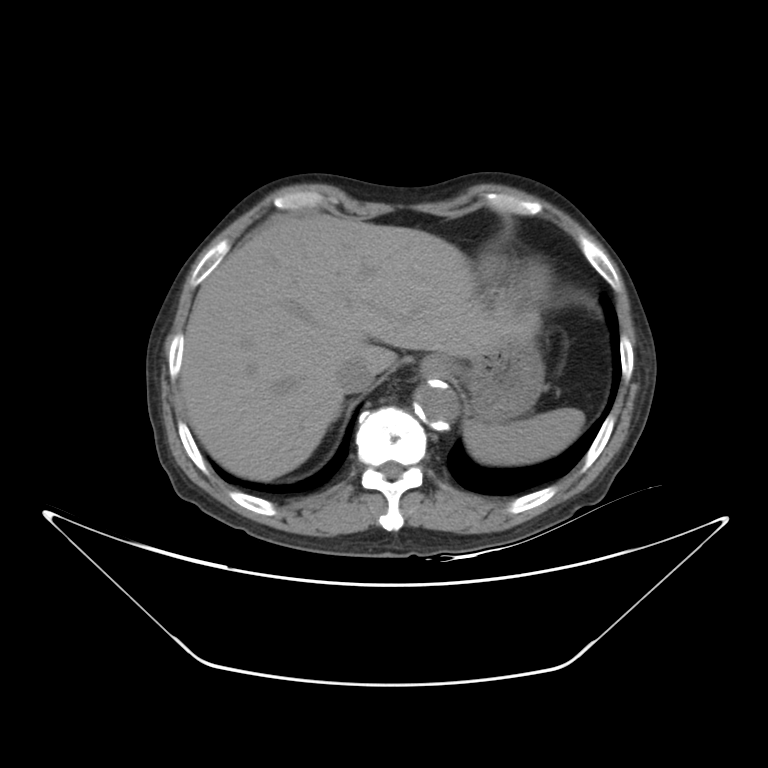
CT abdomen; axial view; 768x768 px
Boxes: x1:y1:x2:y2 in pixels. Labeled organs on this slice: spleen at 463:408:584:463, esophagus at 421:355:451:377, liver at 181:214:540:480, stomach at 449:332:543:422, aorta at 413:379:458:429, inferior vena cava at 334:355:376:393.